Abdominal CT — axial plane, index 145 — soft-tissue window (W 400 / L 40) — 512x512 px
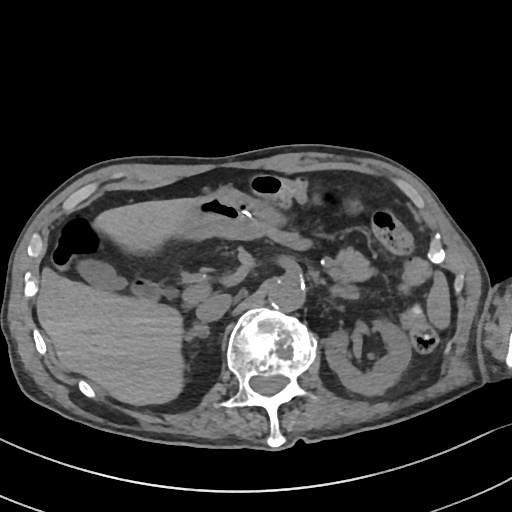 Each box given as x1,y1,x2,y2. 11 labeled organs on this slice — spleen at x1=428, y1=274, x2=450, y2=325; stomach at x1=183, y1=189, x2=283, y2=240; gall bladder at x1=78, y1=261, x2=126, y2=288; pancreas at x1=275, y1=233, x2=373, y2=282; inferior vena cava at x1=195, y1=295, x2=229, y2=322; duodenum at x1=133, y1=281, x2=159, y2=297; left kidney at x1=323, y1=320, x2=411, y2=394; right adrenal gland at x1=187, y1=323, x2=209, y2=341; liver at x1=36, y1=197, x2=204, y2=404; left adrenal gland at x1=326, y1=285, x2=359, y2=301; aorta at x1=267, y1=277, x2=305, y2=312.